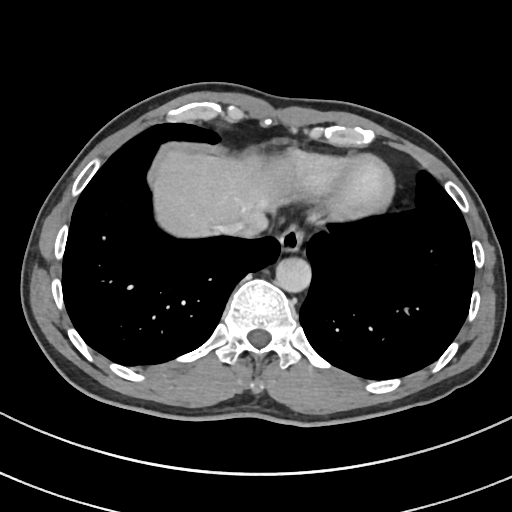

Abdominal CT — axial view — soft-tissue window (W 400 / L 40) — 15 organs annotated in this scan (that count is for the whole scan; organs this slice misses have no box)
<organs><organ name="inferior vena cava" x1="218" y1="221" x2="246" y2="234"/><organ name="liver" x1="155" y1="147" x2="291" y2="239"/><organ name="aorta" x1="276" y1="258" x2="312" y2="293"/><organ name="esophagus" x1="278" y1="228" x2="302" y2="254"/></organs>